Chest-level slice from an abdominal CT that extends up into the chest — axial plane, index 113 — 512x512 px — 54-year-old male patient — scan has 15 labeled organs (counted over the whole 3D scan, not this slice; an organ is boxed only where this slice passes through it)
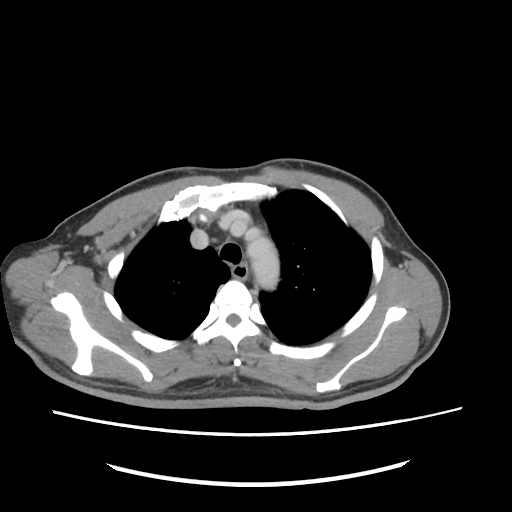
At this level of the chest this dataset labels only the esophagus and the aorta, and each is boxed only where it is labeled; the heart and lungs are never labeled.
<organs><organ name="esophagus" x1="232" y1="265" x2="246" y2="277"/><organ name="aorta" x1="247" y1="235" x2="279" y2="289"/></organs>